CT abdomen. axial view. 15 organs annotated in this scan (that count is for the whole scan; organs this slice misses have no box)
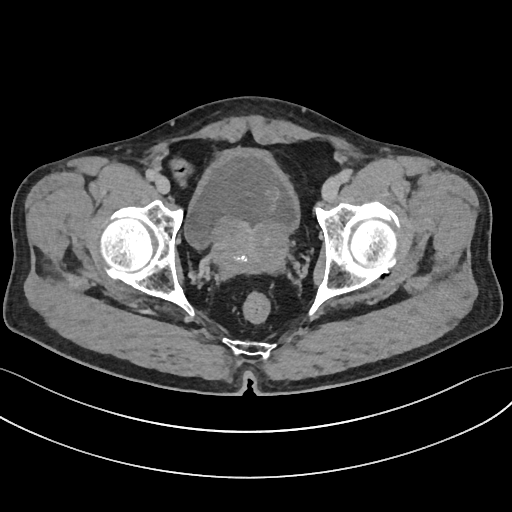 {"organs":{"bladder":[185,148,299,246],"prostate/uterus":[212,216,286,273]}}